Abdominal CT. Axial slice 90/97. acquired on Brilliance16
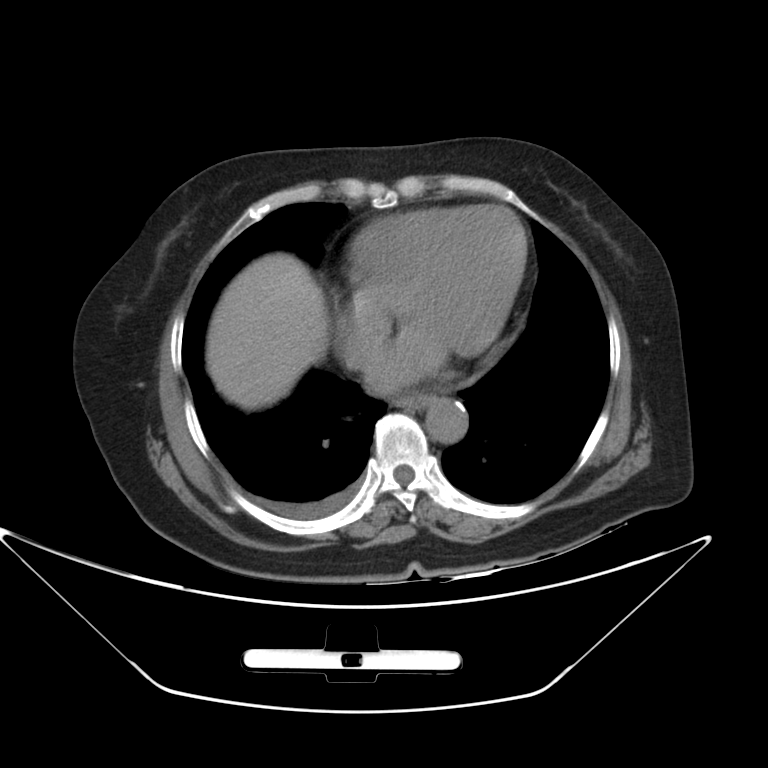 Boxes: x1 y1 x2 y2 (pixel coords, space-separated).
Organ bounding boxes:
- esophagus: 392 393 429 409
- liver: 206 253 326 409
- aorta: 426 397 468 442
- inferior vena cava: 344 334 371 368